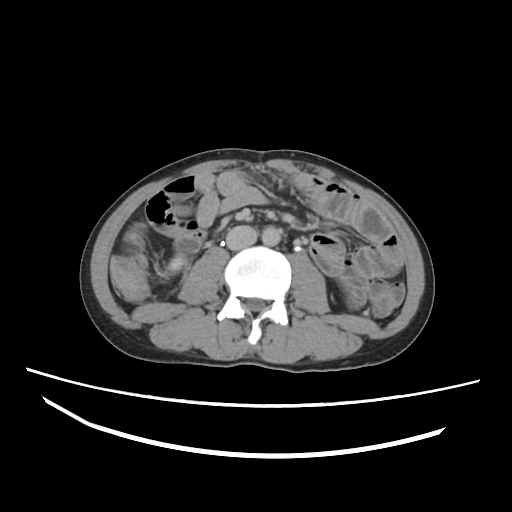 Computed tomography, abdomen · axial view · 512x512 px · 40-year-old male patient
<organs><organ name="right kidney" x1="161" y1="257" x2="183" y2="276"/><organ name="aorta" x1="262" y1="225" x2="279" y2="245"/><organ name="inferior vena cava" x1="226" y1="225" x2="257" y2="251"/></organs>